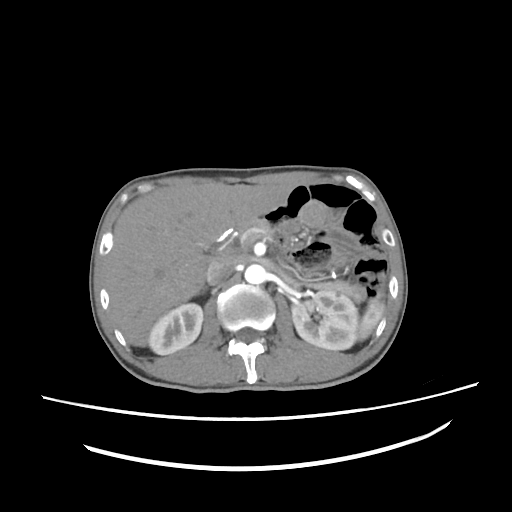 Computed tomography, abdomen — axial view — 50-year-old male patient
Coordinates as <box>x1,y1,x2,y2</box> in pixels.
inferior vena cava: <box>205,256,235,285</box>
left kidney: <box>291,291,358,350</box>
spleen: <box>357,296,384,340</box>
aorta: <box>244,264,265,284</box>
pancreas: <box>238,219,364,301</box>
right kidney: <box>148,303,203,354</box>
liver: <box>107,182,291,346</box>